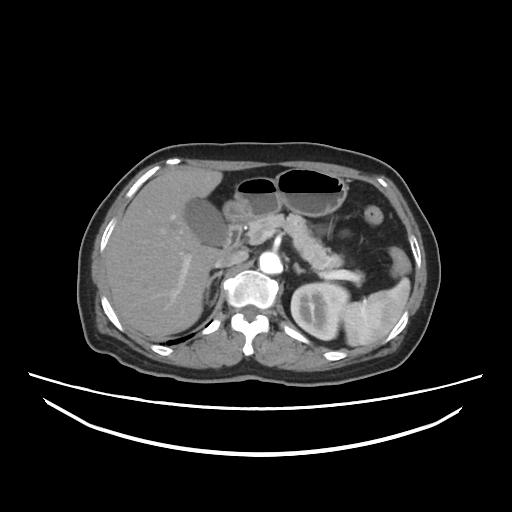 Computed tomography, abdomen; axial plane, index 59; soft-tissue window; 15 organs annotated in this scan (a whole-scan count: organs this slice does not pass through have no box)
<organs><organ name="spleen" x1="341" y1="280" x2="409" y2="346"/><organ name="left kidney" x1="292" y1="283" x2="348" y2="338"/><organ name="gall bladder" x1="187" y1="198" x2="226" y2="244"/><organ name="liver" x1="106" y1="171" x2="222" y2="337"/><organ name="stomach" x1="225" y1="168" x2="347" y2="222"/><organ name="aorta" x1="258" y1="252" x2="282" y2="274"/><organ name="inferior vena cava" x1="215" y1="251" x2="247" y2="267"/><organ name="pancreas" x1="243" y1="212" x2="343" y2="270"/><organ name="right adrenal gland" x1="206" y1="271" x2="222" y2="305"/><organ name="left adrenal gland" x1="293" y1="262" x2="306" y2="274"/><organ name="duodenum" x1="223" y1="223" x2="241" y2="252"/></organs>